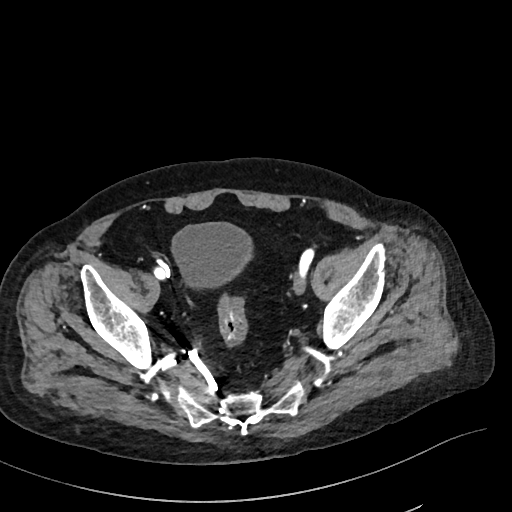 Abdominal CT. axial plane, index 56. W/L 400/40 HU. 512x512 px. 15 organs annotated in this scan (that count is for the whole scan; organs this slice misses have no box)
Boxes: x1 y1 x2 y2 (pixel coords, space-separated).
Organ bounding boxes:
- bladder: 171 222 251 287